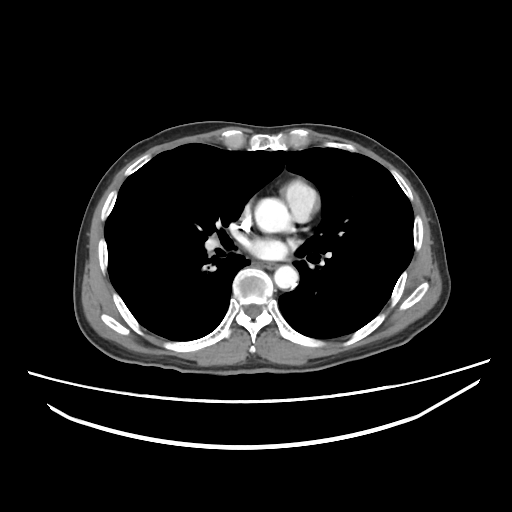
Chest-level slice from an abdominal CT that extends up into the chest — axial view — soft-tissue window, W/L 400/40 — 512x512 px — 63-year-old male patient — Aquilion ONE scanner
At this level of the chest no structure but the esophagus and the aorta has a label in this dataset, and those two are boxed only where they are labeled.
Organ boxes in pixel coordinates; each row gives the top-left (x1, y1) and bottom-right (x2, y2) corners.
| organ | x1 | y1 | x2 | y2 |
|---|---|---|---|---|
| esophagus | 262 | 263 | 272 | 270 |
| aorta | 255 | 198 | 291 | 232 |
| aorta | 274 | 265 | 298 | 288 |